Abdominal MRI; coronal plane, index 44; scan has 13 labeled organs (counted over the whole 3D scan, not this slice; an organ is boxed only where this slice passes through it)
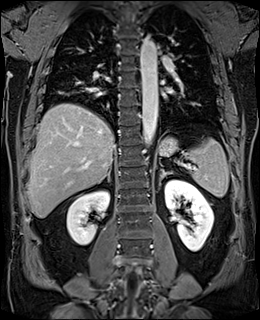

<organs><organ name="right adrenal gland" x1="97" y1="168" x2="110" y2="183"/><organ name="left kidney" x1="164" y1="179" x2="213" y2="251"/><organ name="spleen" x1="178" y1="138" x2="229" y2="197"/><organ name="liver" x1="27" y1="103" x2="115" y2="218"/><organ name="stomach" x1="158" y1="137" x2="177" y2="155"/><organ name="aorta" x1="140" y1="36" x2="158" y2="147"/><organ name="right kidney" x1="66" y1="190" x2="109" y2="245"/><organ name="left adrenal gland" x1="159" y1="169" x2="172" y2="185"/></organs>